CT, abdomen/pelvis — axial view — 512x512 px
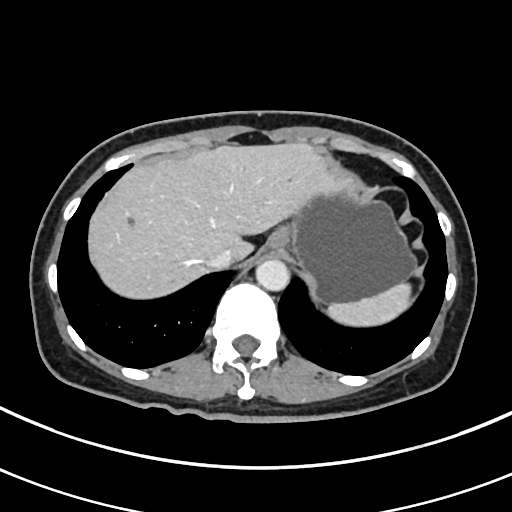

{"organs":{"aorta":[255,258,288,290],"liver":[87,141,348,298],"inferior vena cava":[206,248,234,268],"esophagus":[267,225,289,250],"stomach":[272,179,416,303],"spleen":[327,282,410,326]}}